Computed tomography, abdomen. axial view. 512x512 px
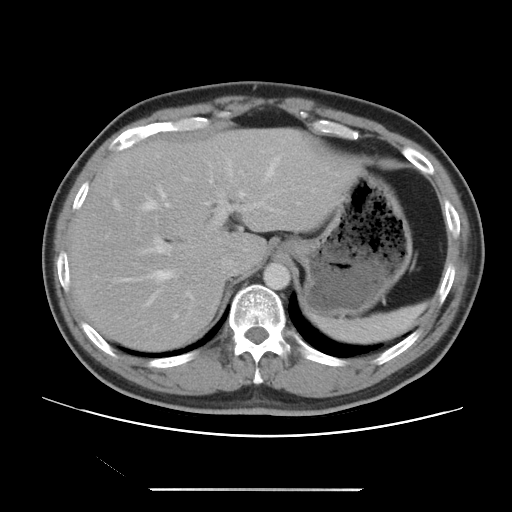 {"organs":{"inferior vena cava":[218,252,242,276],"liver":[68,127,363,351],"stomach":[277,171,412,317],"spleen":[310,302,427,344],"aorta":[263,262,290,290]}}